CT abdomen · axial view
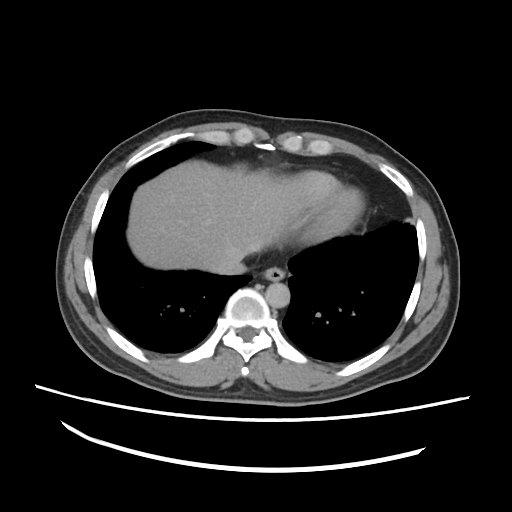
Organ boxes in pixel coordinates; each row gives the top-left (x1, y1) and bottom-right (x2, y2) corners.
| organ | x1 | y1 | x2 | y2 |
|---|---|---|---|---|
| liver | 128 | 163 | 287 | 268 |
| aorta | 266 | 282 | 290 | 308 |
| esophagus | 262 | 267 | 284 | 281 |
| inferior vena cava | 209 | 252 | 244 | 274 |